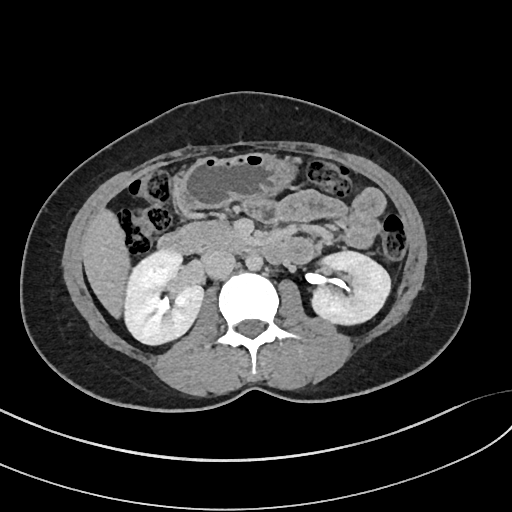 CT abdomen — axial view — soft-tissue window — acquired on SOMATOM Force
Bounding boxes in pixels, one row per box: x1, y1 is the top-left corner and x2, y2 the bottom-right.
| organ | x1 | y1 | x2 | y2 |
|---|---|---|---|---|
| right kidney | 125 | 252 | 204 | 345 |
| left kidney | 312 | 252 | 390 | 325 |
| liver | 82 | 207 | 128 | 319 |
| stomach | 181 | 152 | 295 | 210 |
| aorta | 246 | 254 | 262 | 271 |
| inferior vena cava | 200 | 250 | 235 | 278 |
| pancreas | 182 | 220 | 250 | 252 |
| duodenum | 156 | 229 | 286 | 263 |